CT, abdomen/pelvis; axial view; W/L 400/40 HU; 512x512 px; 15 organs annotated in this scan (that count is for the whole scan; organs this slice misses have no box)
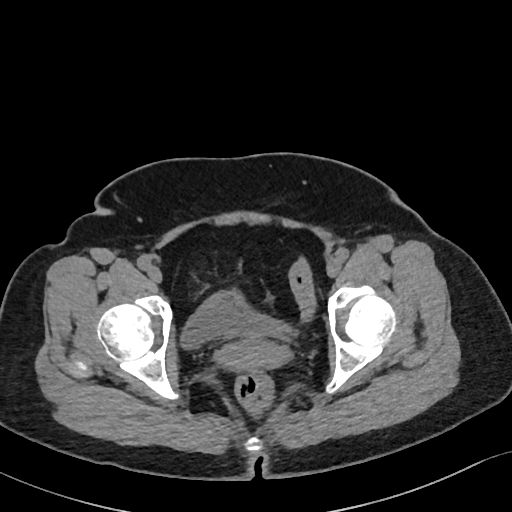 Bounding boxes in pixels, one row per box: x1, y1 is the top-left corner and x2, y2 the bottom-right.
| organ | x1 | y1 | x2 | y2 |
|---|---|---|---|---|
| bladder | 180 | 292 | 288 | 347 |
| prostate/uterus | 216 | 340 | 288 | 371 |